Abdominal CT · axial view
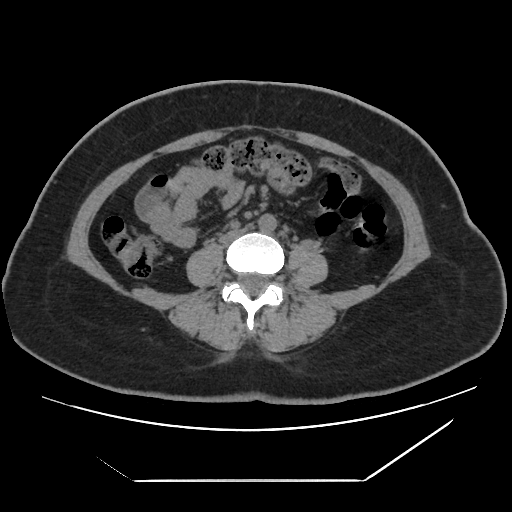
{"organs":{"aorta":[259,214,277,233],"inferior vena cava":[219,226,251,243]}}